CT, abdomen/pelvis — axial view — acquired on SOMATOM Force
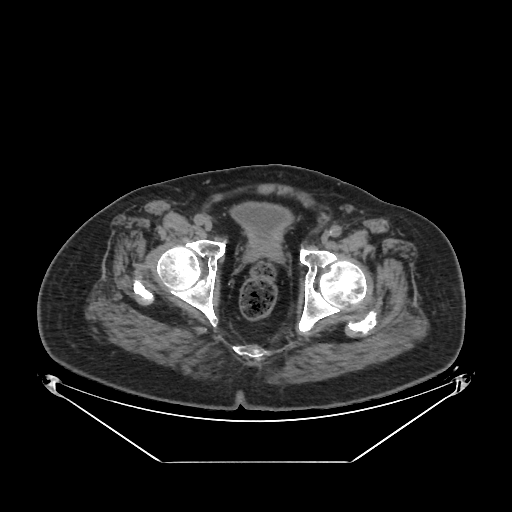 <organs><organ name="prostate/uterus" x1="248" y1="236" x2="282" y2="256"/><organ name="bladder" x1="229" y1="201" x2="293" y2="236"/></organs>